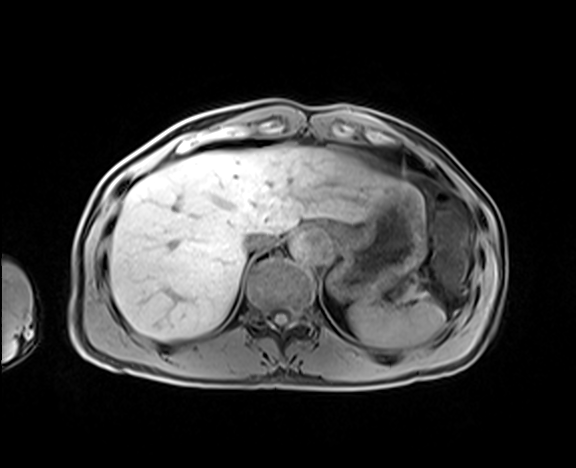
Abdominal MRI · axial view · percentile-normalized · scan has 13 labeled organs (a whole-scan count: organs this slice does not pass through have no box)
Bounding boxes as [x1, y1, x2, y2] in pixel coordinates.
Organ bounding boxes:
- spleen: [348, 300, 445, 348]
- inferior vena cava: [244, 231, 273, 252]
- liver: [109, 145, 422, 340]
- stomach: [329, 191, 425, 302]
- pancreas: [398, 286, 427, 301]
- aorta: [289, 231, 330, 263]